Lower-chest slice from an abdominal CT, just above the liver and spleen · axial view · soft-tissue window, W/L 400/40 · 512x512 px
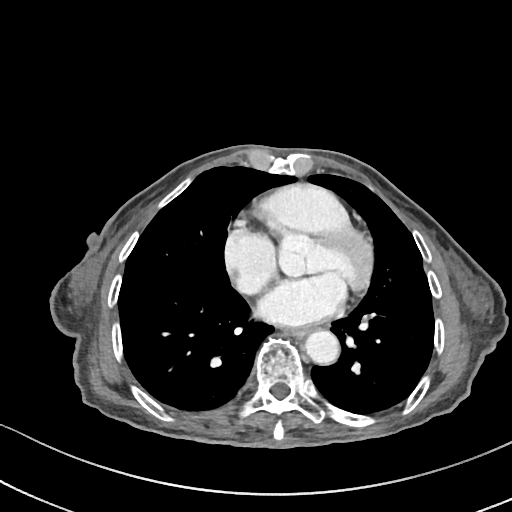 The heart and lungs are never labeled in this dataset, so they have no box on this slice.
Each box given as x1,y1,x2,y2.
esophagus: x1=282, y1=328, x2=310, y2=337
aorta: x1=306, y1=331, x2=340, y2=366